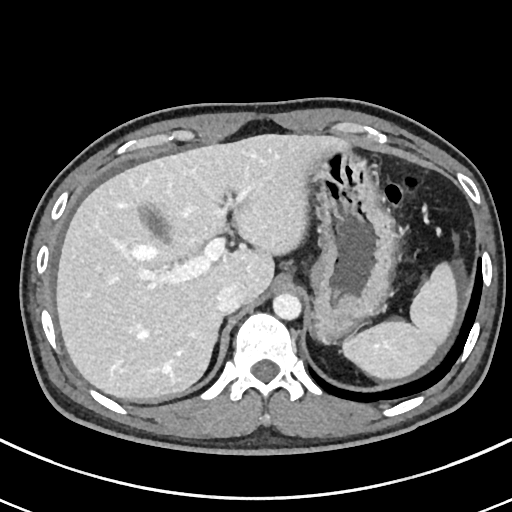 Computed tomography, abdomen; Axial slice 177/218; soft-tissue window (W 400 / L 40); 512x512 px
<organs><organ name="spleen" x1="342" y1="262" x2="457" y2="379"/><organ name="gall bladder" x1="140" y1="206" x2="168" y2="241"/><organ name="liver" x1="56" y1="134" x2="348" y2="400"/><organ name="stomach" x1="309" y1="149" x2="396" y2="342"/><organ name="aorta" x1="272" y1="293" x2="301" y2="320"/><organ name="inferior vena cava" x1="216" y1="282" x2="245" y2="314"/></organs>